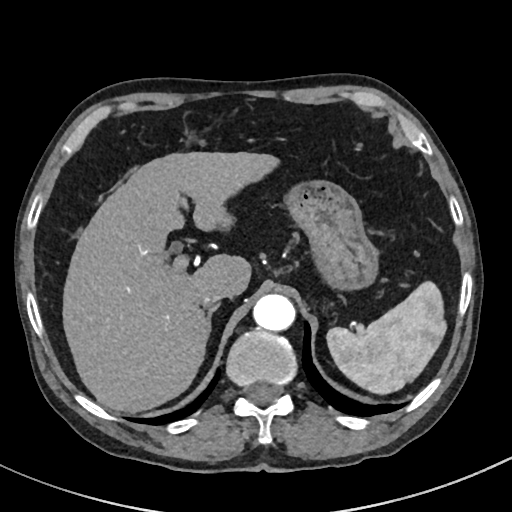 CT abdomen · Axial slice 182/303 · 512x512 px
<organs><organ name="stomach" x1="284" y1="180" x2="378" y2="290"/><organ name="liver" x1="62" y1="152" x2="279" y2="413"/><organ name="aorta" x1="252" y1="294" x2="295" y2="331"/><organ name="inferior vena cava" x1="200" y1="285" x2="233" y2="307"/><organ name="right adrenal gland" x1="206" y1="305" x2="218" y2="338"/><organ name="spleen" x1="326" y1="281" x2="446" y2="394"/></organs>